Computed tomography, abdomen; axial view; abdomen soft-tissue window
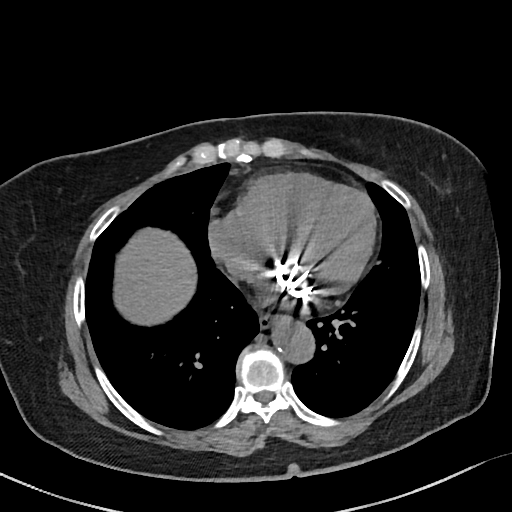

<organs><organ name="aorta" x1="272" y1="315" x2="314" y2="362"/><organ name="esophagus" x1="258" y1="312" x2="277" y2="328"/><organ name="inferior vena cava" x1="227" y1="254" x2="259" y2="278"/><organ name="liver" x1="113" y1="227" x2="196" y2="325"/></organs>